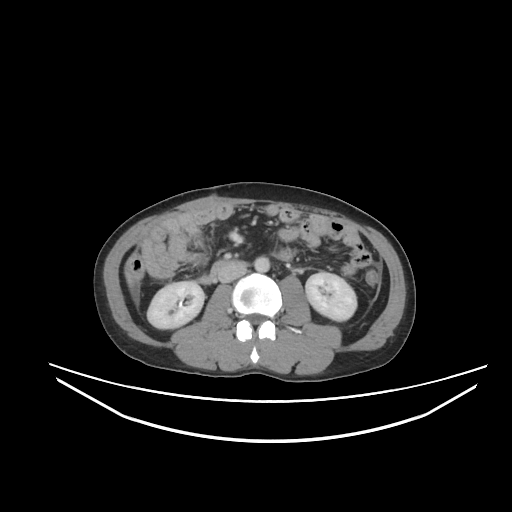 CT, abdomen/pelvis · axial view · soft-tissue window (W 400 / L 40) · 512x512 px
Boxes: x1:y1:x2:y2 in pixels.
Organ bounding boxes:
- right kidney: 147:281:204:328
- left kidney: 305:272:356:321
- liver: 125:270:133:287
- aorta: 254:256:269:272
- inferior vena cava: 218:264:246:282
- duodenum: 198:260:242:284